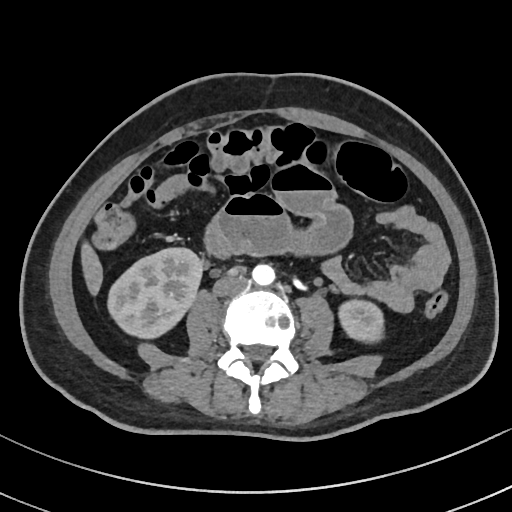
Abdominal CT; axial view; W/L 400/40 HU
Coordinates as <box>x1,y1,x2,y2</box> in pixels. 5 labeled organs on this slice — right kidney at <box>108,249,201,338</box>; left kidney at <box>338,301,383,341</box>; liver at <box>82,247,102,292</box>; aorta at <box>252,264,275,286</box>; inferior vena cava at <box>214,274,249,296</box>.